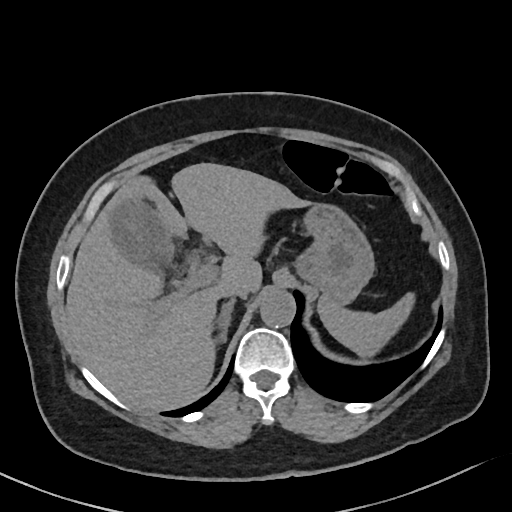

Computed tomography, abdomen; axial plane, index 155
{"organs":{"spleen":[319,292,415,356],"gall bladder":[110,202,166,266],"liver":[66,163,309,411],"stomach":[295,203,374,304],"aorta":[260,290,295,327],"inferior vena cava":[222,284,250,298],"right adrenal gland":[215,299,234,342]}}